Computed tomography, abdomen · axial view · soft-tissue window (W 400 / L 40) · 768x768 px · 39-year-old female patient · 15 organs annotated in this scan (a whole-scan count: organs this slice does not pass through have no box)
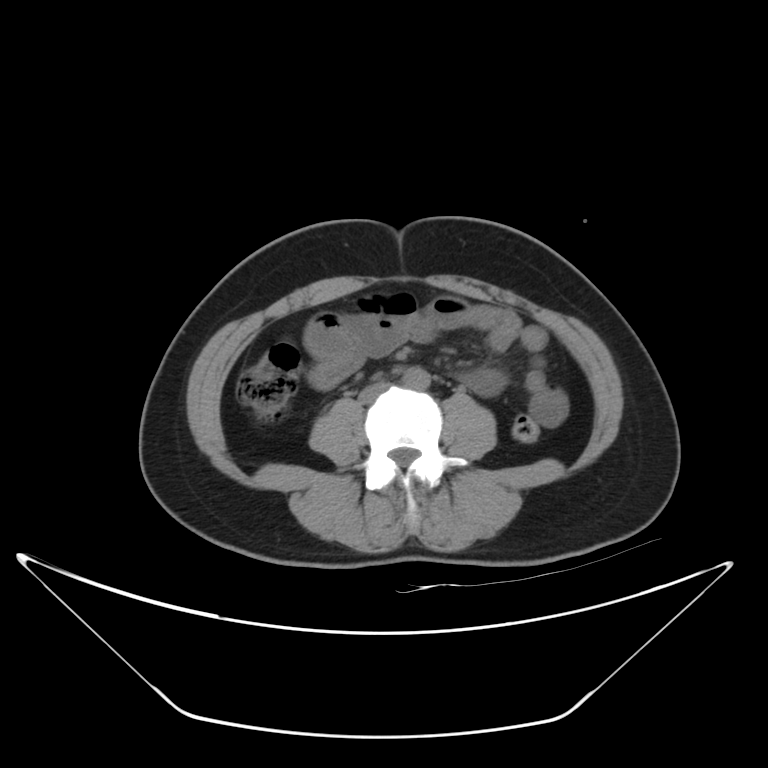
Organ boxes in pixel coordinates; each row gives the top-left (x1, y1) and bottom-right (x2, y2) corners.
| organ | x1 | y1 | x2 | y2 |
|---|---|---|---|---|
| aorta | 403 | 368 | 430 | 388 |
| inferior vena cava | 360 | 383 | 387 | 402 |